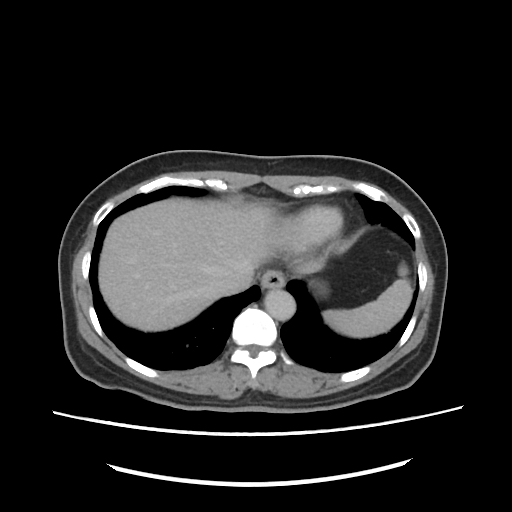 CT abdomen. axial plane, index 78
Boxes: x1:y1:x2:y2 in pixels. 6 labeled organs on this slice — spleen at 322:263:413:337; esophagus at 260:271:282:289; liver at 97:198:282:331; stomach at 312:282:327:295; aorta at 264:290:296:320; inferior vena cava at 209:267:254:295.